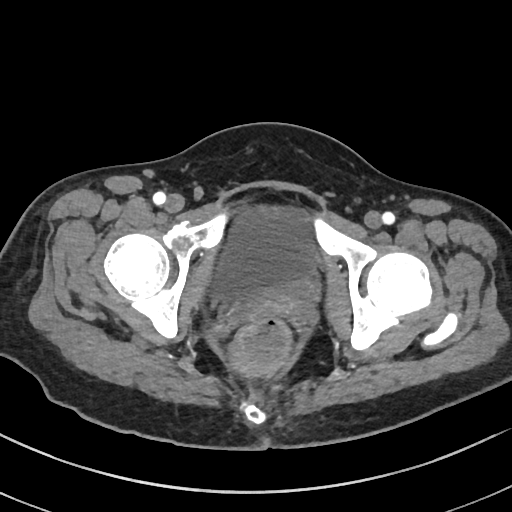 Computed tomography, abdomen; axial view; acquired on SOMATOM Force
{"organs":{"bladder":[214,203,317,303]}}